CT, abdomen/pelvis — axial plane, index 9 — 512x512 px — Aquilion ONE scanner
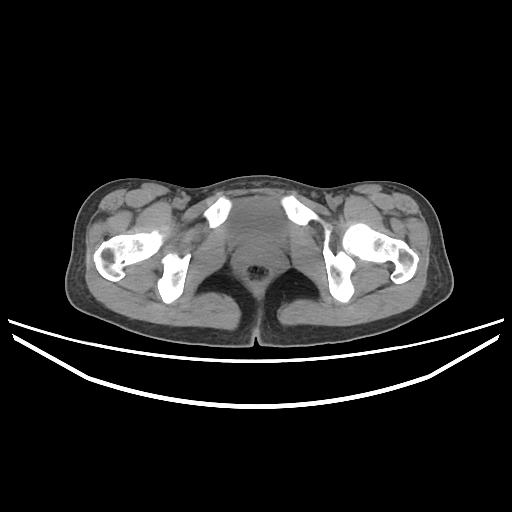

Bounding boxes as [x1, y1, x2, y2] in pixel coordinates.
Organ bounding boxes:
- bladder: [225, 197, 289, 244]